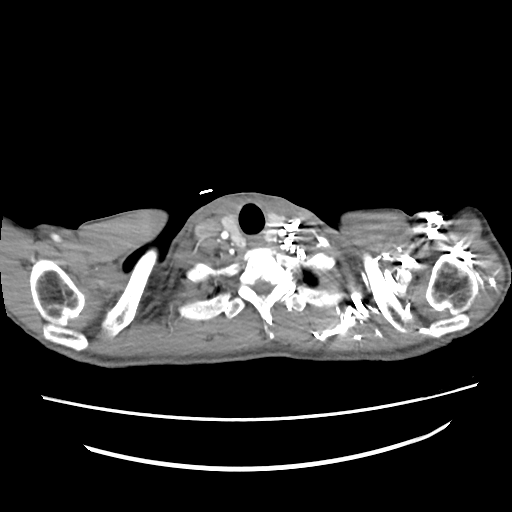

Chest-level slice from an abdominal CT that extends up into the chest; axial plane, index 131; acquired on Aquilion ONE
On a slice this high in the chest, this dataset labels only the esophagus and the aorta, and each is boxed only where it is labeled; the heart, lungs and other chest structures are not labeled.
Each box given as x1,y1,x2,y2.
Organ bounding boxes:
- esophagus: x1=248, y1=236, x2=264, y2=246